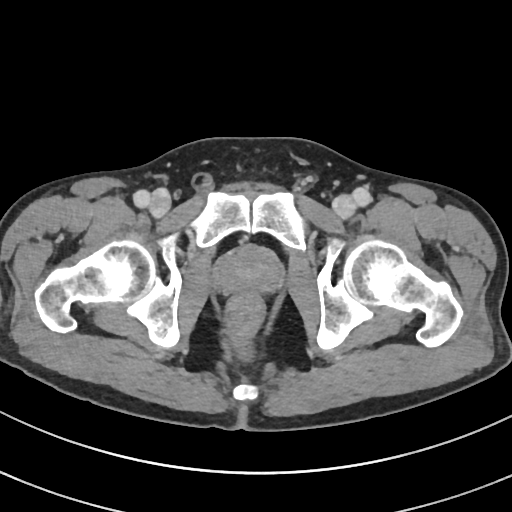 CT, abdomen/pelvis. axial plane, index 14
Bounding boxes in pixels, one row per box: x1, y1 is the top-left corner and x2, y2 the bottom-right.
| organ | x1 | y1 | x2 | y2 |
|---|---|---|---|---|
| prostate/uterus | 218 | 247 | 280 | 293 |